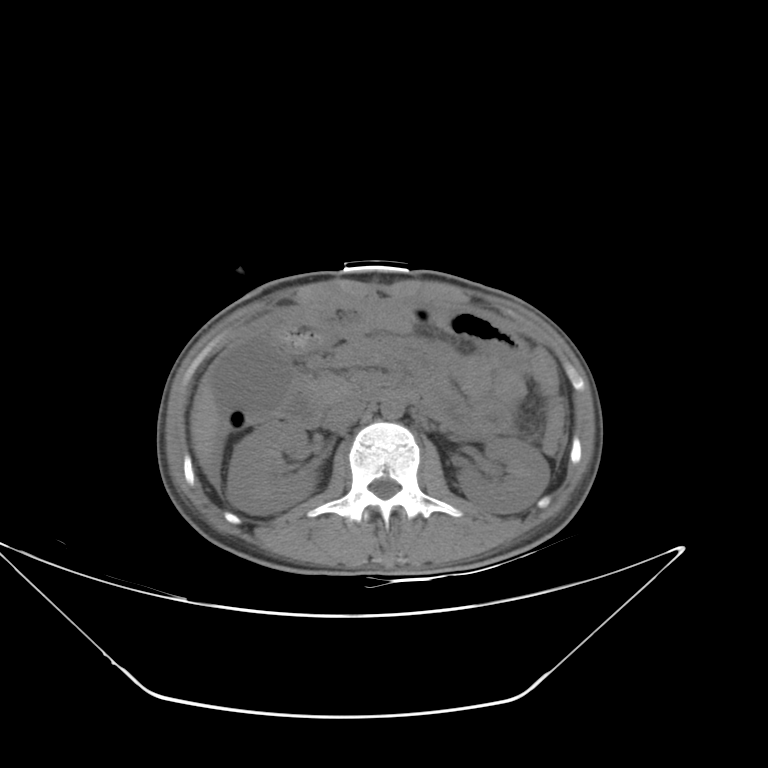 Computed tomography, abdomen · Axial slice 65/103
{"organs":{"right kidney":[227,420,319,514],"left kidney":[457,438,549,514],"liver":[190,370,219,475],"aorta":[380,396,404,419],"inferior vena cava":[324,400,365,430],"pancreas":[309,376,353,403],"duodenum":[280,383,390,428]}}